Chest-level slice from an abdominal CT that extends up into the chest; axial view; 62-year-old male patient; Aquilion ONE scanner; scan has 15 labeled organs (a whole-scan count: organs this slice does not pass through have no box)
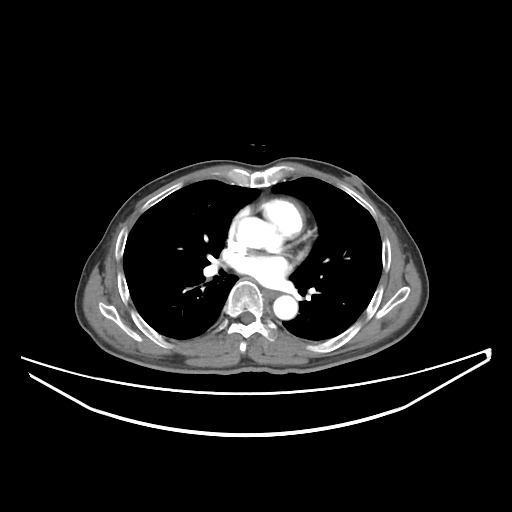

On a slice this high in the chest, this dataset labels only the esophagus and the aorta, and each is boxed only where it is labeled; the heart, lungs and other chest structures are not labeled.
Boxes: x1:y1:x2:y2 in pixels.
Organ bounding boxes:
- esophagus: 264:289:277:297
- aorta: 235:218:272:247
- aorta: 273:295:297:319